CT, abdomen/pelvis — axial view
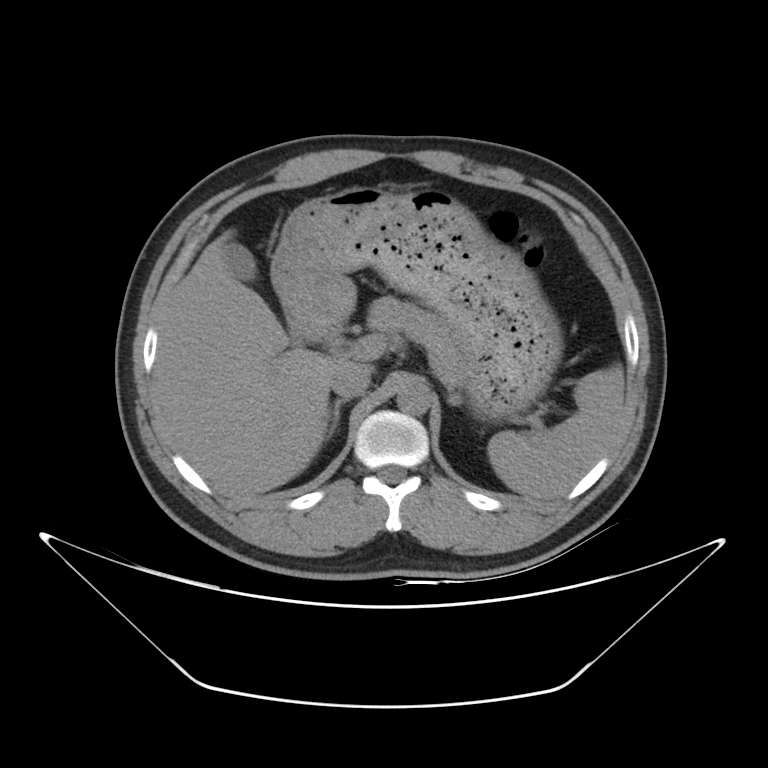
Boxes: x1:y1:x2:y2 in pixels.
Organ bounding boxes:
- spleen: 488:365:624:498
- gall bladder: 223:242:301:344
- liver: 153:230:369:499
- stomach: 270:187:562:420
- aorta: 396:379:430:415
- inferior vena cava: 329:363:369:398
- pancreas: 367:296:463:384
- right adrenal gland: 325:399:348:439
- duodenum: 324:329:340:344